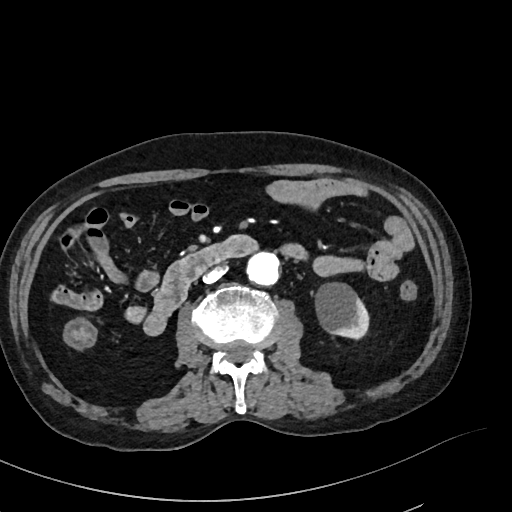

Abdominal CT · axial view · abdomen soft-tissue window · 15 organs annotated in this scan (counted over the whole 3D scan, not this slice; an organ is boxed only where this slice passes through it)
<organs><organ name="left kidney" x1="315" y1="282" x2="368" y2="338"/><organ name="aorta" x1="247" y1="252" x2="279" y2="285"/><organ name="inferior vena cava" x1="203" y1="266" x2="225" y2="283"/><organ name="duodenum" x1="143" y1="235" x2="257" y2="336"/></organs>